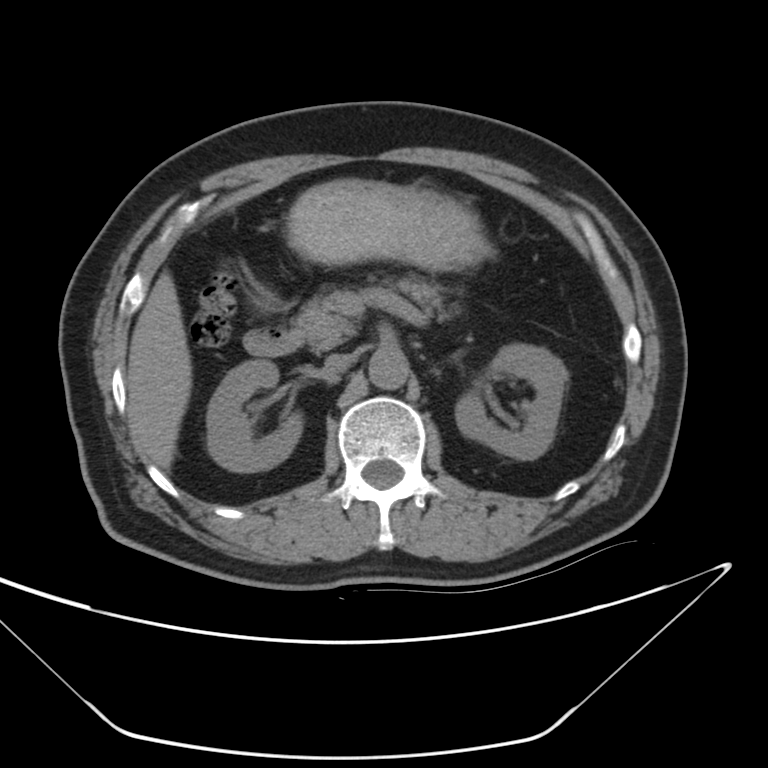

CT, abdomen/pelvis — axial view — acquired on Brilliance16 — scan has 14 labeled organs (a whole-scan count: organs this slice does not pass through have no box)
Boxes: x1 y1 x2 y2 (pixel coords, space-separated).
right kidney: 208 359 304 471
left kidney: 455 344 567 460
liver: 125 270 193 470
stomach: 283 179 485 271
aorta: 369 348 411 390
inferior vena cava: 323 356 352 375
pancreas: 294 276 457 350
duodenum: 243 328 303 356